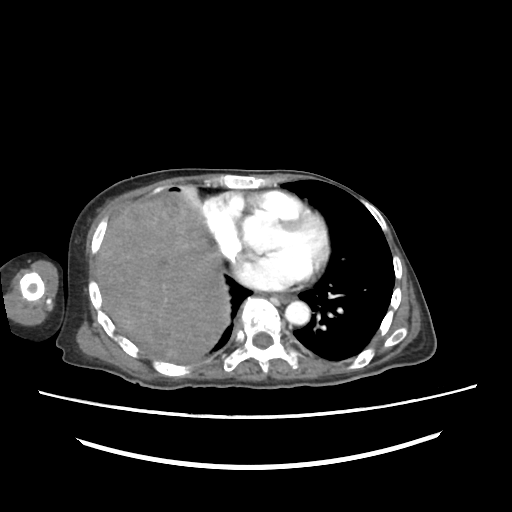 CT, abdomen/pelvis — axial view
Each box given as x1,y1,x2,y2.
Organ bounding boxes:
- esophagus: x1=277, y1=294, x2=294, y2=301
- liver: x1=96, y1=191, x2=230, y2=361
- aorta: x1=285, y1=301, x2=310, y2=325